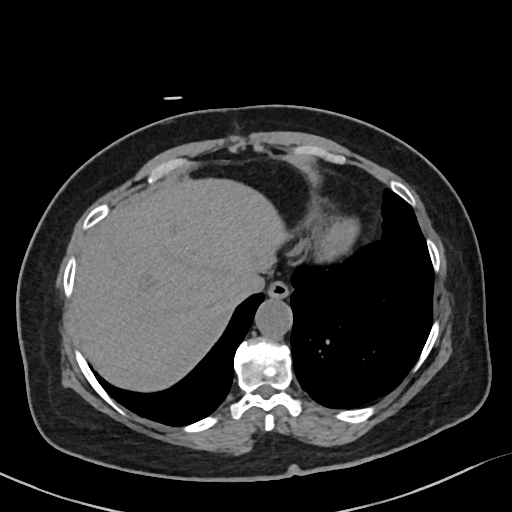

Computed tomography, abdomen. axial view. soft-tissue window. acquired on SOMATOM Force
Bounding boxes in pixels, one row per box: x1, y1 is the top-left corner and x2, y2 the bottom-right.
| organ | x1 | y1 | x2 | y2 |
|---|---|---|---|---|
| esophagus | 267 | 281 | 289 | 299 |
| liver | 74 | 180 | 285 | 392 |
| aorta | 255 | 299 | 292 | 338 |
| inferior vena cava | 235 | 269 | 268 | 296 |